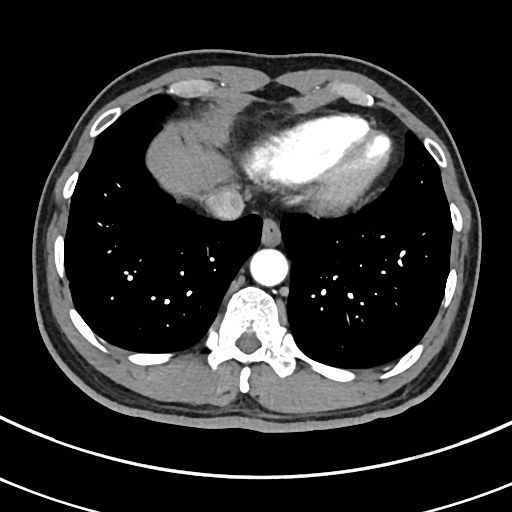

CT abdomen; axial view; soft-tissue window (W 400 / L 40); 512x512 px
Boxes: x1 y1 x2 y2 (pixel coords, space-separated).
Organ bounding boxes:
- esophagus: 261 218 281 245
- liver: 146 145 230 196
- inferior vena cava: 205 188 244 220
- aorta: 250 248 288 286